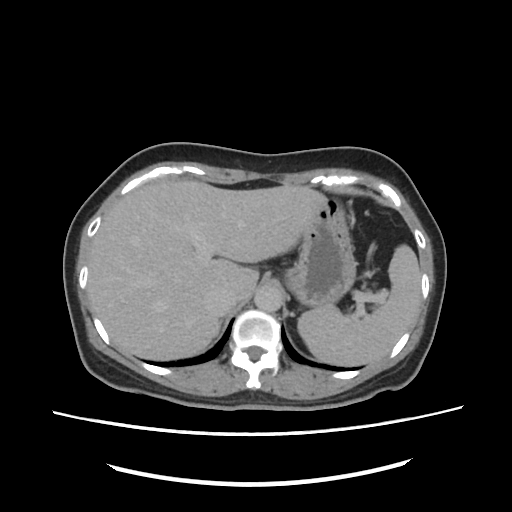
Abdominal CT; axial plane, index 72; W/L 400/40 HU
Box edges are left/top/right/bottom in pixels. 6 labeled organs on this slice — spleen at left=297, top=244, right=421, bottom=366; liver at left=88, top=179, right=328, bottom=360; stomach at left=285, top=196, right=355, bottom=306; aorta at left=255, top=286, right=281, bottom=312; inferior vena cava at left=209, top=286, right=236, bottom=312; right adrenal gland at left=212, top=317, right=224, bottom=337.